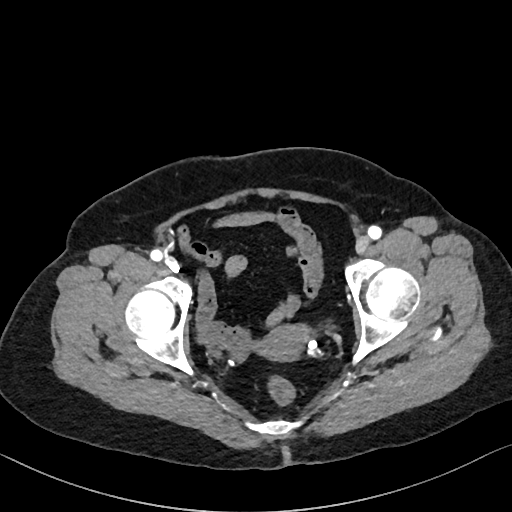 Computed tomography, abdomen; axial view
Boxes: x1 y1 x2 y2 (pixel coords, space-separated).
Organ bounding boxes:
- prostate/uterus: 258 325 312 363